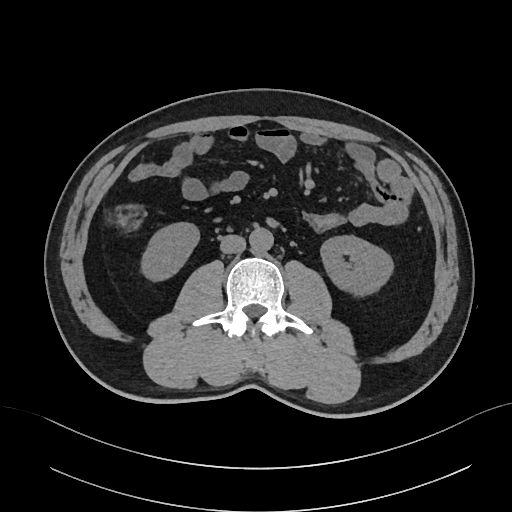 CT, abdomen/pelvis; Axial slice 142/265
Bounding boxes as [x1, y1, x2, y2] in pixel coordinates. Labeled organs on this slice: right kidney at [141, 222, 199, 280], left kidney at [321, 235, 393, 295], aorta at [249, 227, 273, 252], inferior vena cava at [220, 235, 245, 253].